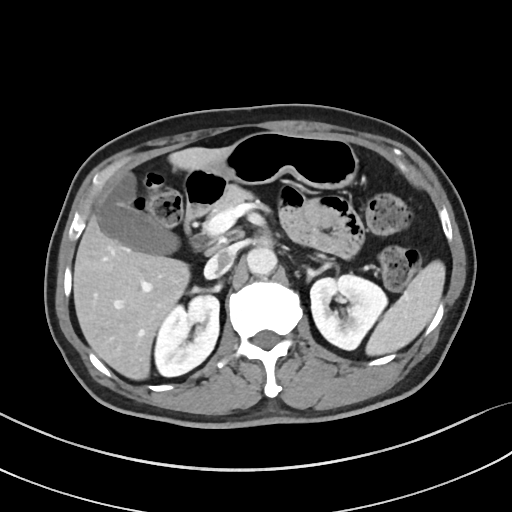 CT abdomen. axial view. 512x512 px
Bounding boxes as [x1, y1, x2, y2] in pixel coordinates. 10 labeled organs on this slice — spleen at [366, 260, 445, 355]; right kidney at [154, 295, 219, 376]; left kidney at [310, 275, 387, 350]; gall bladder at [95, 172, 178, 254]; liver at [74, 147, 229, 380]; stomach at [205, 131, 358, 188]; aorta at [246, 246, 276, 275]; inferior vena cava at [204, 248, 235, 279]; pancreas at [210, 185, 253, 215]; duodenum at [182, 169, 230, 228].